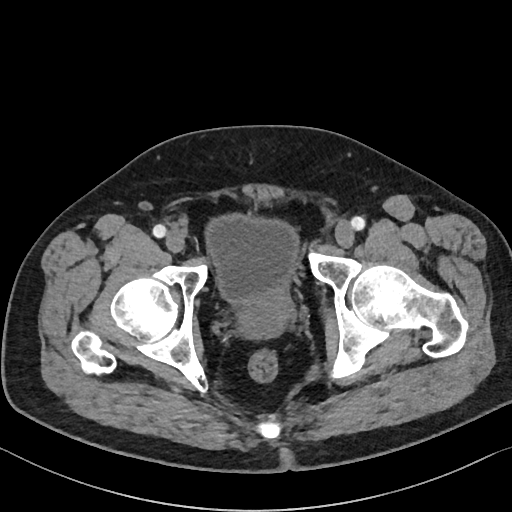 Computed tomography, abdomen; axial plane, index 24; 512x512 px; 15 organs annotated in this scan (a whole-scan count: organs this slice does not pass through have no box)
Each box given as x1,y1,x2,y2.
prostate/uterus: x1=237, y1=290, x2=297, y2=337
bladder: x1=206, y1=214, x2=298, y2=299